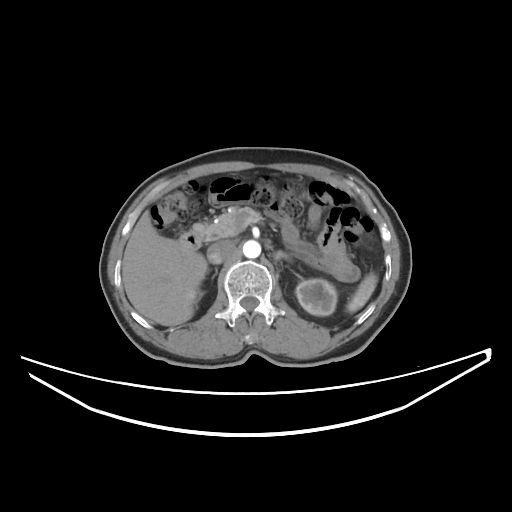 CT, abdomen/pelvis · axial plane, index 61 · soft-tissue window (W 400 / L 40) · 62-year-old male patient
<organs><organ name="spleen" x1="347" y1="273" x2="377" y2="312"/><organ name="right kidney" x1="198" y1="292" x2="202" y2="298"/><organ name="left kidney" x1="296" y1="279" x2="337" y2="315"/><organ name="liver" x1="122" y1="210" x2="207" y2="325"/><organ name="aorta" x1="242" y1="240" x2="260" y2="258"/><organ name="inferior vena cava" x1="207" y1="240" x2="235" y2="263"/><organ name="pancreas" x1="205" y1="207" x2="258" y2="238"/><organ name="right adrenal gland" x1="212" y1="269" x2="217" y2="278"/><organ name="left adrenal gland" x1="274" y1="251" x2="286" y2="258"/><organ name="duodenum" x1="180" y1="224" x2="208" y2="249"/></organs>